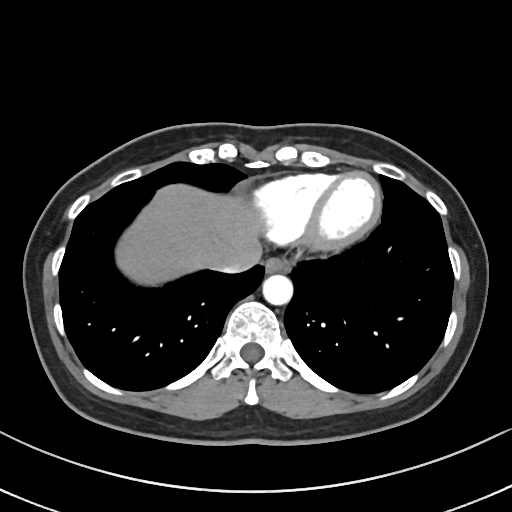 CT, abdomen/pelvis. axial view. soft-tissue window
Bounding boxes as [x1, y1, x2, y2] in pixel coordinates.
Organ bounding boxes:
- liver: [116, 184, 262, 284]
- inferior vena cava: [214, 263, 256, 272]
- esophagus: [265, 257, 290, 272]
- aorta: [262, 274, 292, 304]